CT, abdomen/pelvis. axial view. 40-year-old male patient
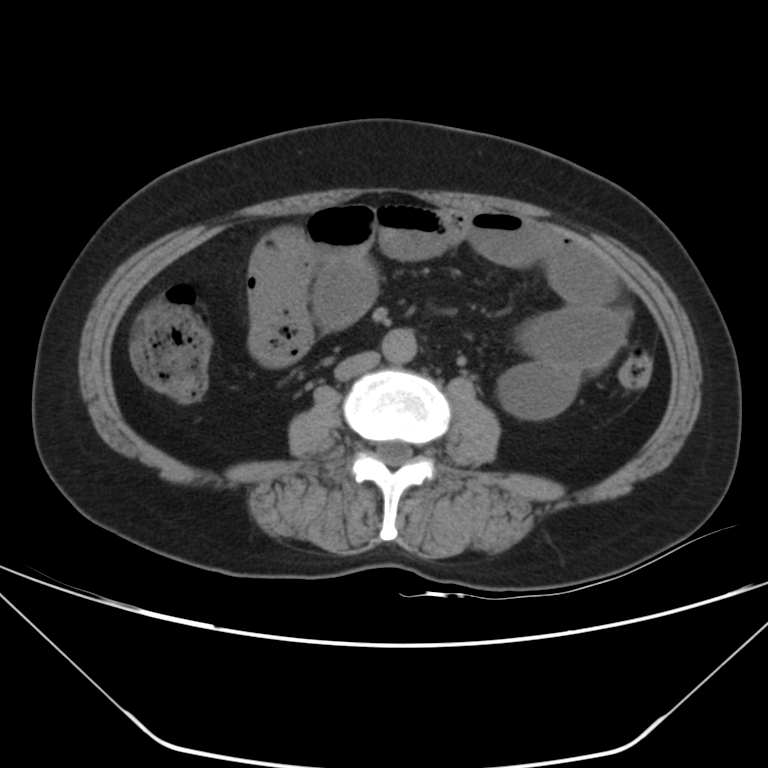
<organs><organ name="aorta" x1="382" y1="327" x2="417" y2="362"/><organ name="inferior vena cava" x1="334" y1="350" x2="379" y2="381"/></organs>